CT of the abdomen extending into the chest, slice through the chest · axial view · 512x512 px
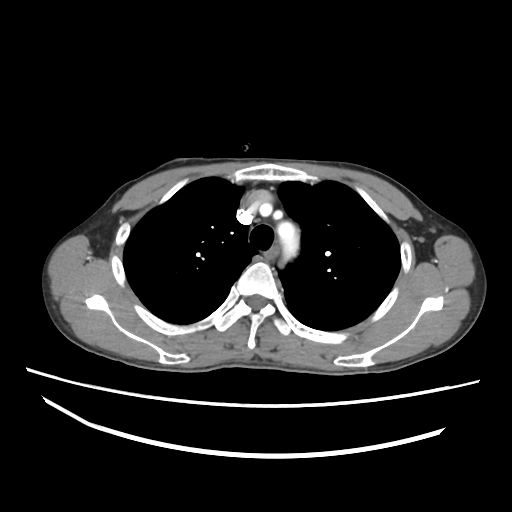 On a slice this high in the chest, this dataset labels only the esophagus and the aorta, and each is boxed only where it is labeled; the heart, lungs and other chest structures are not labeled. Coordinates as <box>x1,y1,x2,y2</box> in pixels. 1 labeled organ on this slice — aorta at <box>277,221,299,259</box>.